Computed tomography, abdomen — axial view
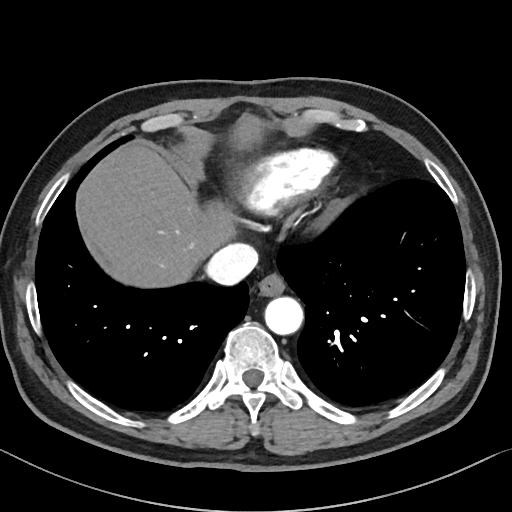

<organs><organ name="aorta" x1="265" y1="297" x2="303" y2="335"/><organ name="inferior vena cava" x1="207" y1="240" x2="259" y2="284"/><organ name="esophagus" x1="255" y1="275" x2="284" y2="297"/><organ name="liver" x1="77" y1="115" x2="260" y2="285"/></organs>